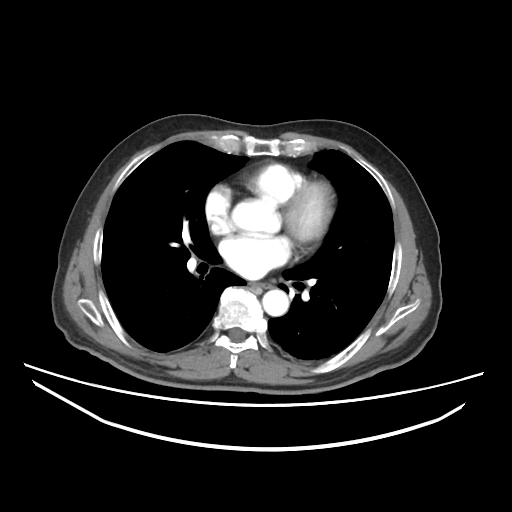

Abdominal CT reaching into the chest; this slice is in the chest. axial plane, index 95. 58-year-old male patient
At this level of the chest no structure but the esophagus and the aorta has a label in this dataset, and those two are boxed only where they are labeled.
One row per box, in pixels: columns x1 and y1 give the top-left corner, x2 and y2 the bottom-right.
| organ | x1 | y1 | x2 | y2 |
|---|---|---|---|---|
| esophagus | 251 | 283 | 269 | 288 |
| aorta | 262 | 289 | 288 | 316 |